CT abdomen; axial view; 15 organs annotated in this scan (a whole-scan count: organs this slice does not pass through have no box)
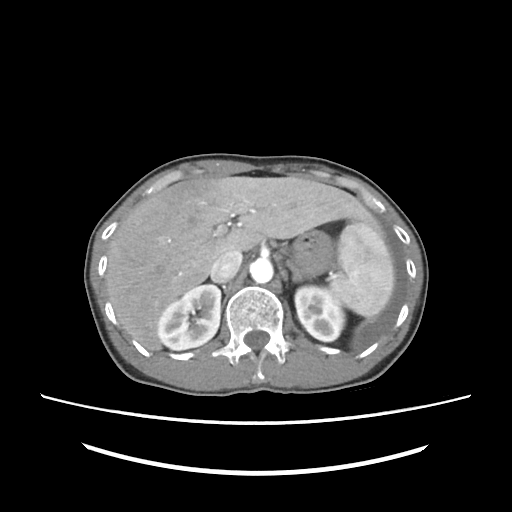 Bounding boxes as [x1, y1, x2, y2] in pixel coordinates. Labeled organs on this slice: spleen at [330, 221, 394, 317], right kidney at [157, 284, 220, 350], left kidney at [294, 286, 344, 341], liver at [105, 176, 371, 351], stomach at [292, 230, 333, 278], aorta at [250, 259, 273, 283], inferior vena cava at [210, 250, 242, 282], left adrenal gland at [289, 264, 304, 281].